Abdominal CT; this slice is in the lower chest, just above the liver; axial view; soft-tissue window; 15 organs annotated in this scan (a whole-scan count: organs this slice does not pass through have no box)
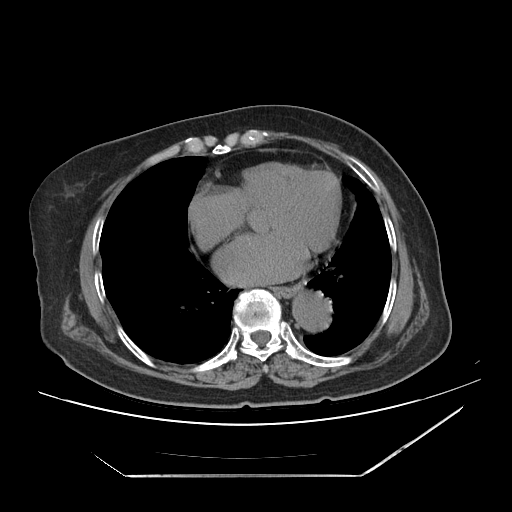 No part of the heart or lungs is labeled in this dataset, so neither has a box here.
<organs><organ name="esophagus" x1="273" y1="286" x2="298" y2="297"/><organ name="aorta" x1="290" y1="288" x2="330" y2="330"/></organs>